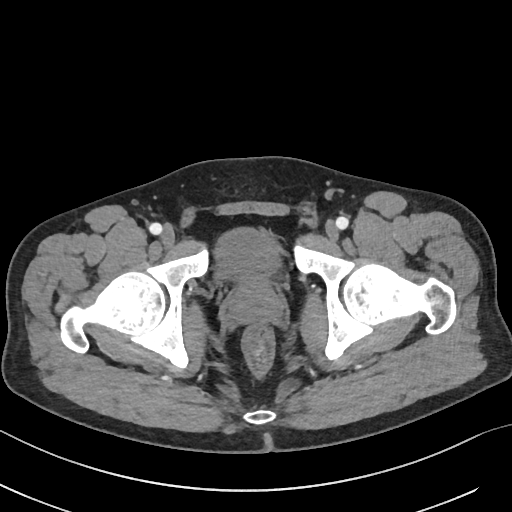 Abdominal CT — axial view — W/L 400/40 HU
Boxes are (x1, y1, x2, y2) in pixels.
bladder: (215, 228, 279, 280)
prostate/uterus: (229, 277, 282, 323)